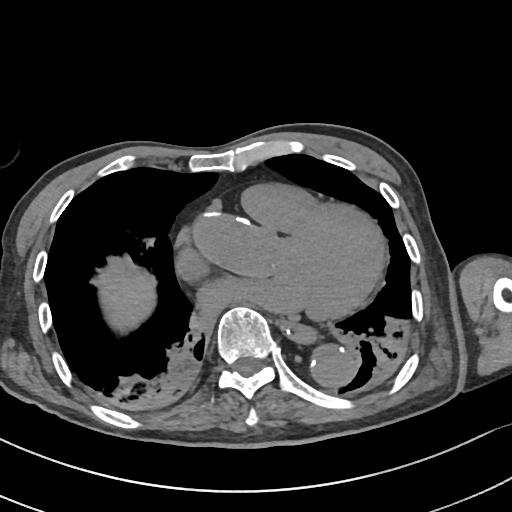
CT abdomen · axial plane, index 200 · soft-tissue window (W 400 / L 40)
Each box given as x1,y1,x2,y2.
esophagus: x1=280, y1=321, x2=315, y2=341
aorta: x1=311, y1=348, x2=353, y2=386
liver: x1=102, y1=270, x2=154, y2=327